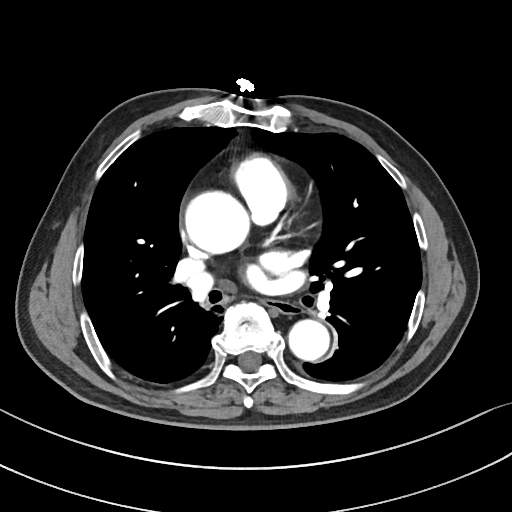 Chest-level slice from an abdominal CT that extends up into the chest · axial plane, index 232
On a slice this high in the chest, this dataset labels only the esophagus and the aorta, and each is boxed only where it is labeled; the heart, lungs and other chest structures are not labeled.
Bounding boxes in pixels, one row per box: x1, y1 is the top-left corner and x2, y2 the bottom-right.
| organ | x1 | y1 | x2 | y2 |
|---|---|---|---|---|
| esophagus | 265 | 300 | 295 | 313 |
| aorta | 185 | 191 | 249 | 253 |
| aorta | 289 | 319 | 329 | 361 |